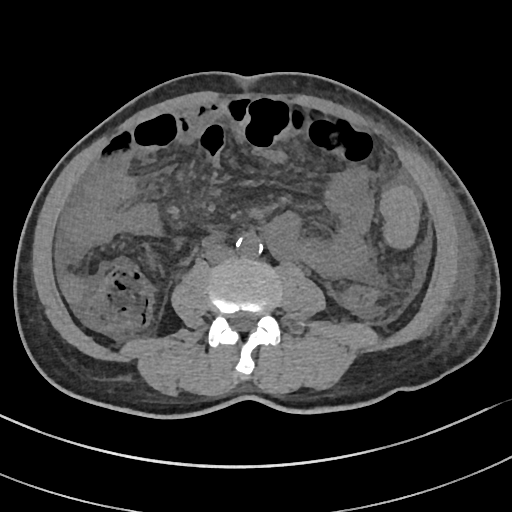
CT, abdomen/pelvis — axial plane, index 99 — SOMATOM Force scanner
<organs><organ name="inferior vena cava" x1="205" y1="244" x2="234" y2="263"/><organ name="spleen" x1="380" y1="186" x2="418" y2="248"/><organ name="aorta" x1="236" y1="233" x2="262" y2="257"/><organ name="duodenum" x1="203" y1="235" x2="222" y2="247"/></organs>